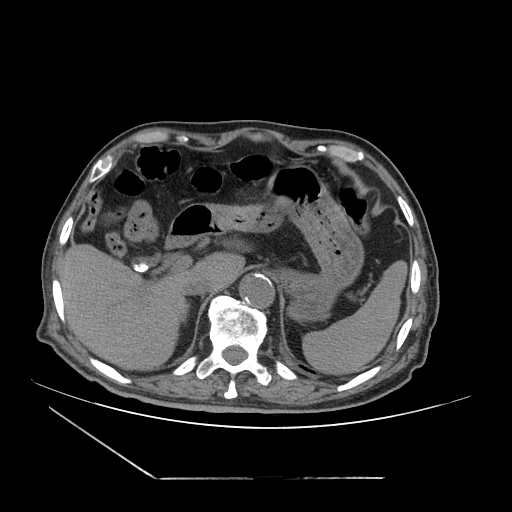
Abdominal CT — axial view — 512x512 px — scan has 15 labeled organs (counted over the whole 3D scan, not this slice; an organ is boxed only where this slice passes through it)
Bounding boxes as [x1, y1, x2, y2] in pixel coordinates. 8 labeled organs on this slice — right adrenal gland at [183, 305, 188, 320]; stomach at [206, 165, 364, 321]; inferior vena cava at [183, 278, 213, 294]; duodenum at [166, 201, 215, 248]; gall bladder at [133, 258, 148, 270]; spleen at [302, 260, 407, 374]; aorta at [239, 274, 274, 308]; liver at [61, 244, 244, 370].